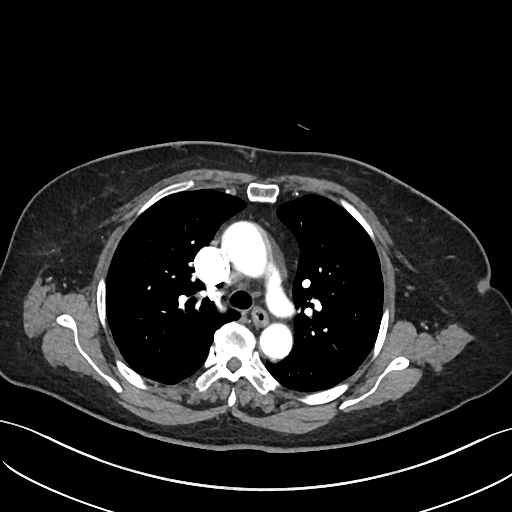

Abdominal CT reaching into the chest; this slice is in the chest. Axial slice 234/276. W/L 400/40 HU. acquired on SOMATOM Force. scan has 15 labeled organs (counted over the whole 3D scan, not this slice; an organ is boxed only where this slice passes through it)
At this level of the chest this dataset labels only the esophagus and the aorta, and each is boxed only where it is labeled; the heart and lungs are never labeled.
Box edges are left/top/right/bottom in pixels.
Organ bounding boxes:
- esophagus: left=251, top=306, right=267, bottom=324
- aorta: left=220, top=221, right=267, bottom=278
- aorta: left=260, top=320, right=292, bottom=358